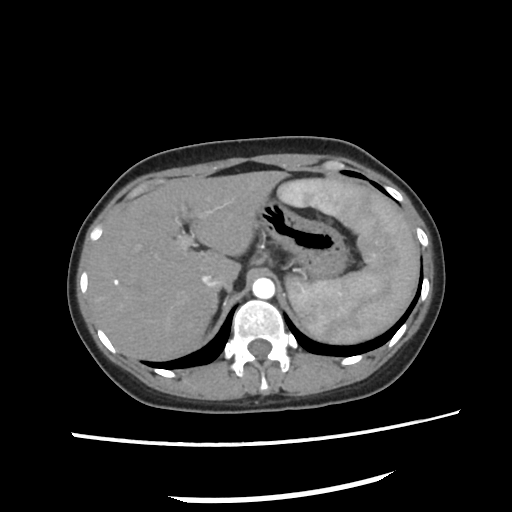
CT, abdomen/pelvis — axial view — soft-tissue window (W 400 / L 40) — 512x512 px
Bounding boxes as [x1, y1, x2, y2] in pixel coordinates.
spleen: [275, 178, 419, 343]
liver: [87, 171, 287, 360]
stomach: [257, 200, 349, 277]
aorta: [252, 278, 274, 298]
inferior vena cava: [202, 273, 229, 288]
right adrenal gland: [210, 294, 217, 316]